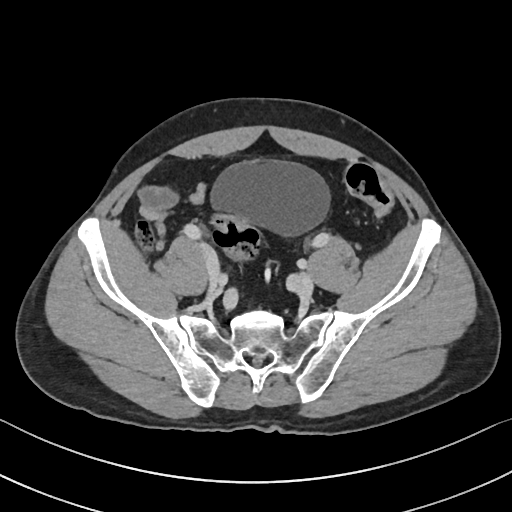
Computed tomography, abdomen; axial view; 512x512 px
Bounding boxes in pixels, one row per box: x1, y1 is the top-left corner and x2, y2 the bottom-right.
| organ | x1 | y1 | x2 | y2 |
|---|---|---|---|---|
| bladder | 211 | 160 | 329 | 235 |